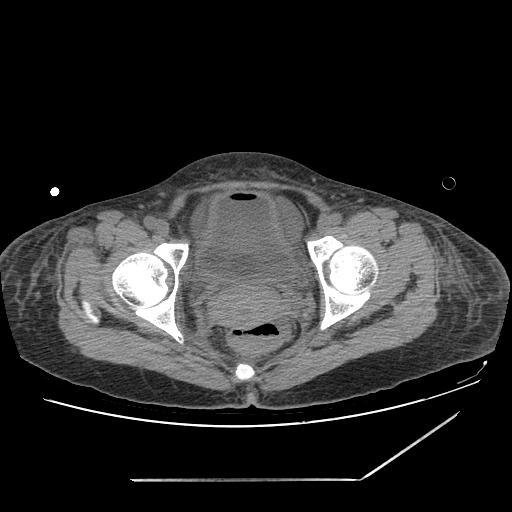

CT abdomen · axial view
Bounding boxes as [x1, y1, x2, y2] in pixel coordinates. The annotated organs in this slice are: bladder at [196, 190, 298, 284], prostate/uterus at [208, 284, 283, 325].